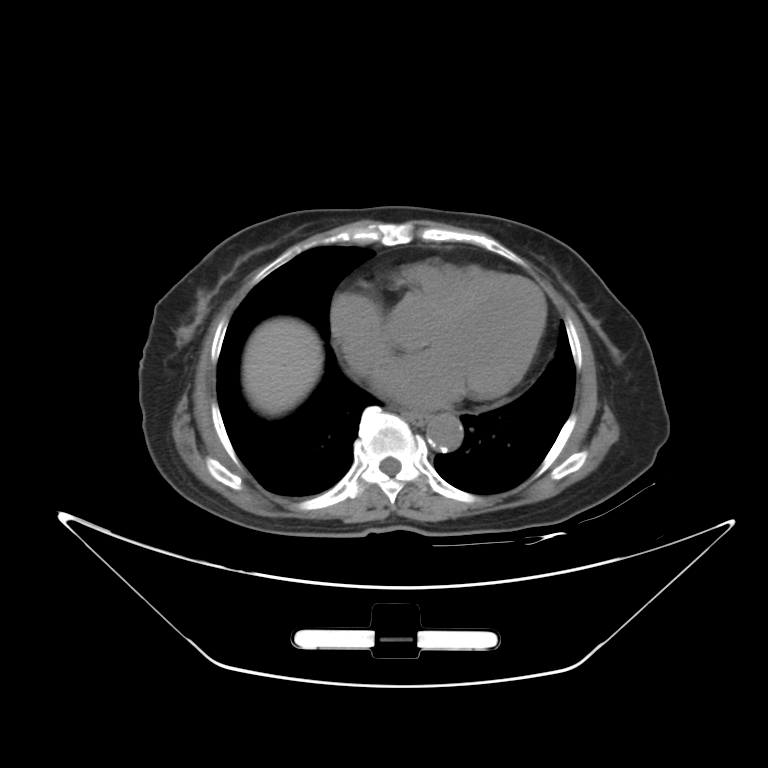

CT, abdomen/pelvis; axial view
Coordinates as <box>x1,y1,x2,y2</box> in pixels.
esophagus: <box>400,409,428,424</box>
liver: <box>242,317,321,415</box>
aorta: <box>427,414,462,451</box>